Chest-level slice from an abdominal CT that extends up into the chest; axial view; soft-tissue window (W 400 / L 40); 512x512 px; SOMATOM Force scanner
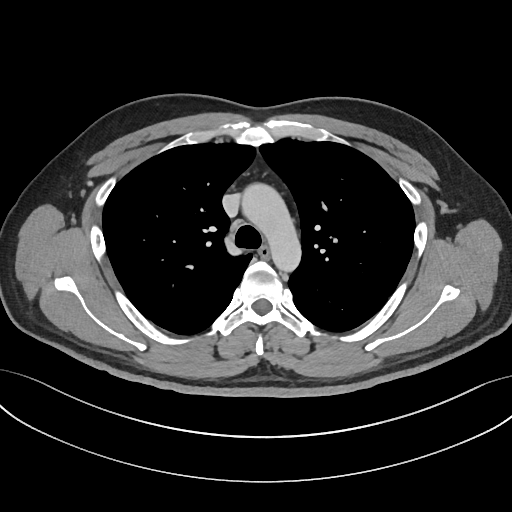 At this level of the chest no structure but the esophagus and the aorta has a label in this dataset, and those two are boxed only where they are labeled.
<organs><organ name="esophagus" x1="258" y1="246" x2="270" y2="258"/><organ name="aorta" x1="240" y1="181" x2="301" y2="273"/></organs>